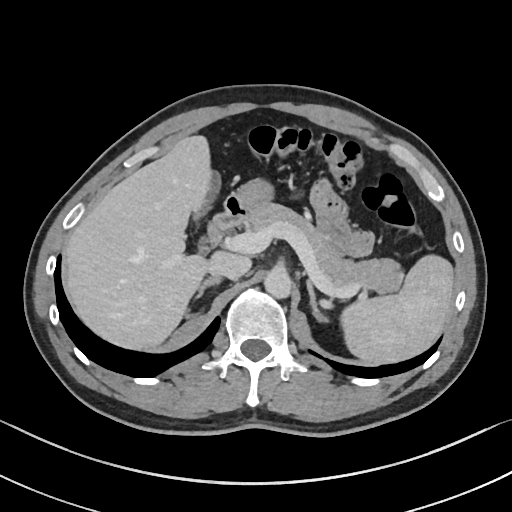
Computed tomography, abdomen; axial view; soft-tissue window (W 400 / L 40); 512x512 px; acquired on SOMATOM Force
Box edges are left/top/right/bottom in pixels.
spleen: left=340, top=255, right=453, bottom=363
gall bladder: left=195, top=170, right=219, bottom=220
liver: left=64, top=136, right=216, bottom=347
stomach: left=230, top=177, right=273, bottom=212
aorta: left=264, top=269, right=291, bottom=300
inferior vena cava: left=209, top=255, right=249, bottom=280
pancreas: left=247, top=203, right=403, bottom=292
right adrenal gland: left=187, top=279, right=222, bottom=318
left adrenal gland: left=307, top=281, right=328, bottom=322
duodenum: left=207, top=195, right=249, bottom=244